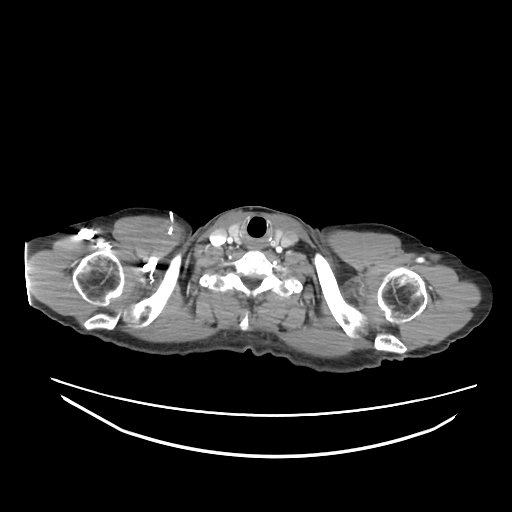
Chest-level slice from an abdominal CT that extends up into the chest · axial view · 52-year-old male patient · 15 organs annotated in this scan (a whole-scan count: organs this slice does not pass through have no box)
On a slice this high in the chest, this dataset labels only the esophagus and the aorta, and each is boxed only where it is labeled; the heart, lungs and other chest structures are not labeled.
Bounding boxes in pixels, one row per box: x1, y1 is the top-left corner and x2, y2 the bottom-right.
| organ | x1 | y1 | x2 | y2 |
|---|---|---|---|---|
| esophagus | 247 | 239 | 263 | 249 |